CT of the abdomen extending into the chest, slice through the chest · axial view · SOMATOM Force scanner · scan has 15 labeled organs (a whole-scan count: organs this slice does not pass through have no box)
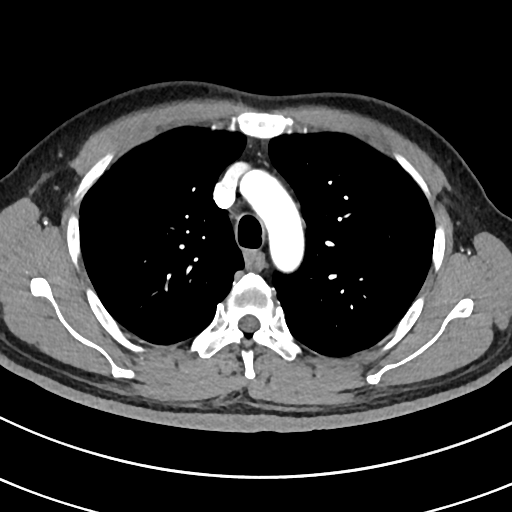 On a slice this high in the chest, this dataset labels only the esophagus and the aorta, and each is boxed only where it is labeled; the heart, lungs and other chest structures are not labeled.
Boxes: x1:y1:x2:y2 in pixels.
Organ bounding boxes:
- esophagus: 246:253:263:268
- aorta: 240:169:305:276